Abdominal CT reaching into the chest; this slice is in the chest · Axial slice 238/276 · 512x512 px · scan has 15 labeled organs (a whole-scan count: organs this slice does not pass through have no box)
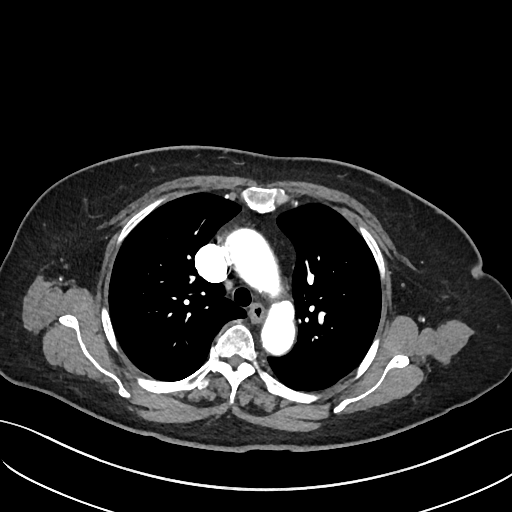
At this level of the chest this dataset labels only the esophagus and the aorta, and each is boxed only where it is labeled; the heart and lungs are never labeled.
One row per box, in pixels: columns x1 and y1 give the top-left corner, x2 and y2 the bottom-right.
| organ | x1 | y1 | x2 | y2 |
|---|---|---|---|---|
| esophagus | 249 | 303 | 265 | 322 |
| aorta | 226 | 228 | 280 | 296 |
| aorta | 261 | 301 | 295 | 355 |